CT abdomen · axial plane, index 59
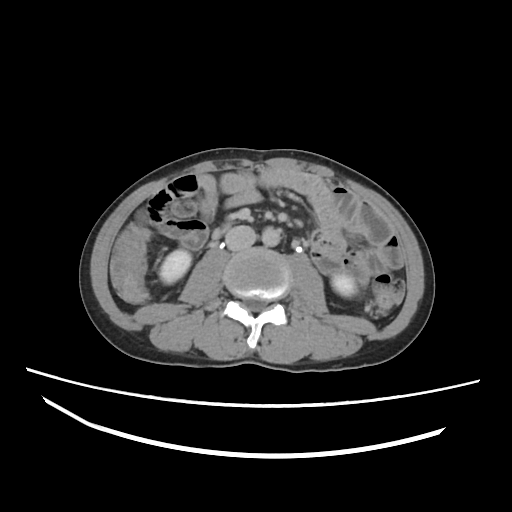 Boxes: x1:y1:x2:y2 in pixels. The annotated organs in this slice are: right kidney at 159:250:190:283, left kidney at 331:273:353:295, aorta at 262:227:281:245, inferior vena cava at 224:225:257:251.